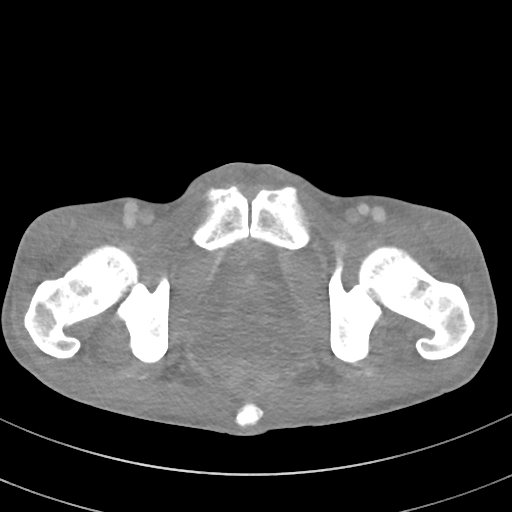

Abdominal CT · Axial slice 11/92 · W/L 400/40 HU · SOMATOM Force scanner
Boxes are (x1, y1, x2, y2) in pixels.
Organ bounding boxes:
- bladder: (206, 249, 294, 313)
- prostate/uterus: (221, 278, 276, 322)